Abdominal MRI; Coronal slice 98/144; percentile-normalized; 260x320 px; 13 organs annotated in this scan (a whole-scan count: organs this slice does not pass through have no box)
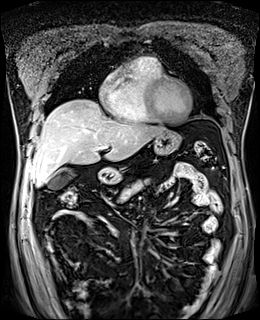 One row per box, in pixels: columns x1 and y1 give the top-left corner, x2 and y2 the bottom-right.
| organ | x1 | y1 | x2 | y2 |
|---|---|---|---|---|
| gall bladder | 47 | 168 | 74 | 189 |
| liver | 31 | 99 | 165 | 186 |
| stomach | 97 | 130 | 181 | 183 |
| pancreas | 119 | 179 | 148 | 201 |